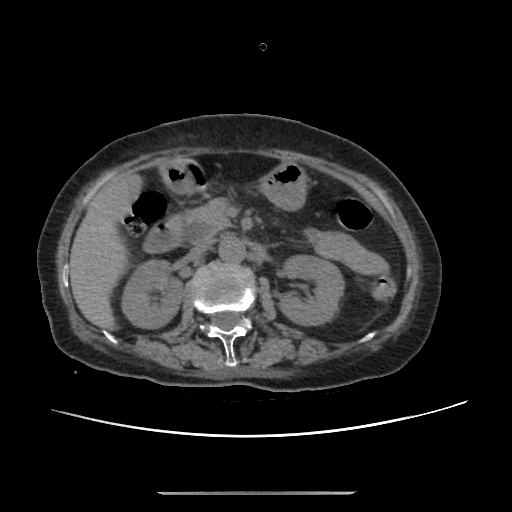
Computed tomography, abdomen. axial view
Bounding boxes as [x1, y1, x2, y2] in pixel coordinates.
Organ bounding boxes:
- right kidney: [120, 258, 183, 328]
- left kidney: [280, 254, 344, 324]
- liver: [70, 174, 140, 327]
- stomach: [163, 163, 306, 209]
- aorta: [218, 236, 244, 263]
- inferior vena cava: [188, 242, 210, 260]
- pancreas: [193, 198, 233, 236]
- duodenum: [142, 158, 207, 253]